CT abdomen. axial view
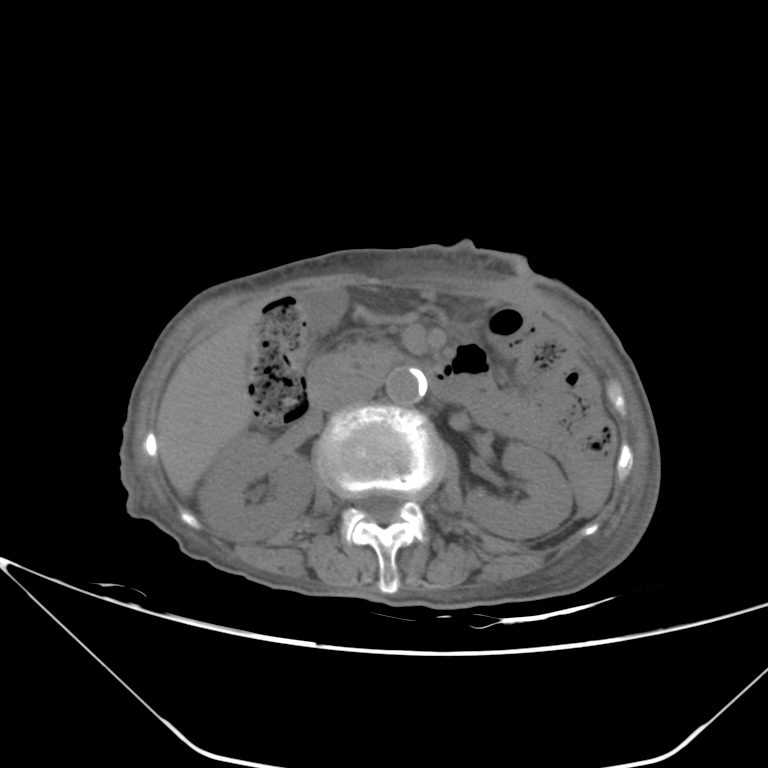
Organ boxes in pixel coordinates; each row gives the top-left (x1, y1) and bottom-right (x2, y2) corners.
| organ | x1 | y1 | x2 | y2 |
|---|---|---|---|---|
| right kidney | 198 | 432 | 314 | 539 |
| left kidney | 465 | 443 | 572 | 538 |
| gall bladder | 301 | 288 | 346 | 330 |
| liver | 157 | 305 | 259 | 497 |
| aorta | 386 | 367 | 426 | 403 |
| inferior vena cava | 323 | 377 | 379 | 410 |
| pancreas | 336 | 342 | 397 | 379 |
| duodenum | 305 | 350 | 347 | 408 |